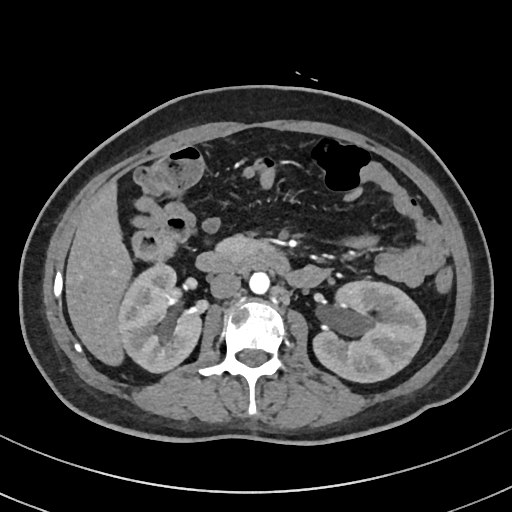

Abdominal CT · Axial slice 120/191 · soft-tissue window
Bounding boxes as [x1, y1, x2, y2] in pixel coordinates. 7 labeled organs on this slice — duodenum at [195, 248, 290, 273]; inferior vena cava at [210, 273, 240, 298]; right kidney at [118, 264, 201, 372]; aorta at [249, 271, 269, 293]; liver at [65, 181, 132, 365]; left kidney at [313, 281, 425, 382]; pancreas at [216, 235, 270, 257].